Abdominal CT · axial plane, index 124 · SOMATOM Force scanner
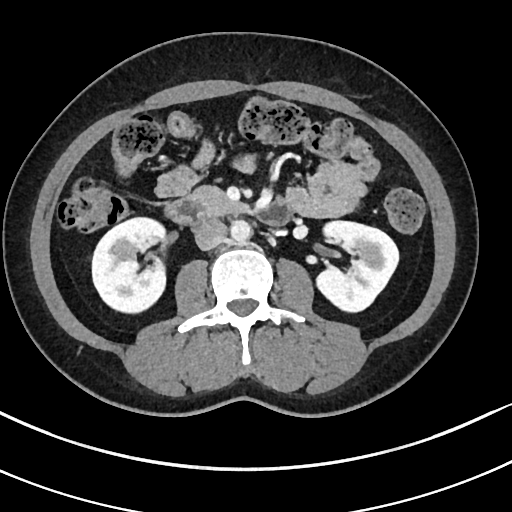

Boxes: x1:y1:x2:y2 in pixels. 6 labeled organs on this slice — right kidney at 92:217:165:313; left kidney at 316:221:398:311; aorta at 230:220:251:242; inferior vena cava at 194:219:227:250; pancreas at 190:186:245:215; duodenum at 165:197:291:226.